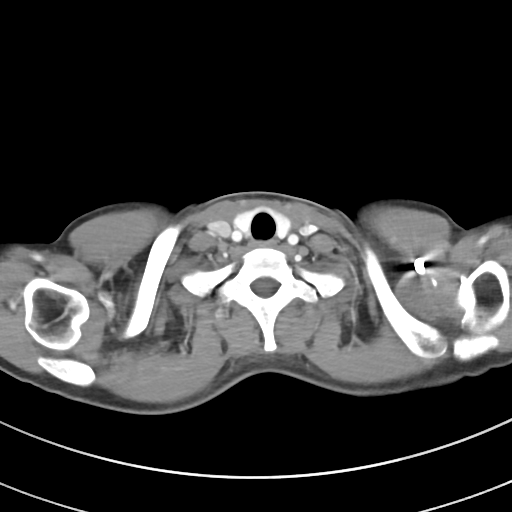

Abdominal CT reaching into the chest; this slice is in the chest · Axial slice 118/121 · 512x512 px
On a slice this high in the chest, this dataset labels only the esophagus and the aorta, and each is boxed only where it is labeled; the heart, lungs and other chest structures are not labeled.
Bounding boxes as [x1, y1, x2, y2] in pixel coordinates.
Organ bounding boxes:
- esophagus: [249, 240, 275, 248]